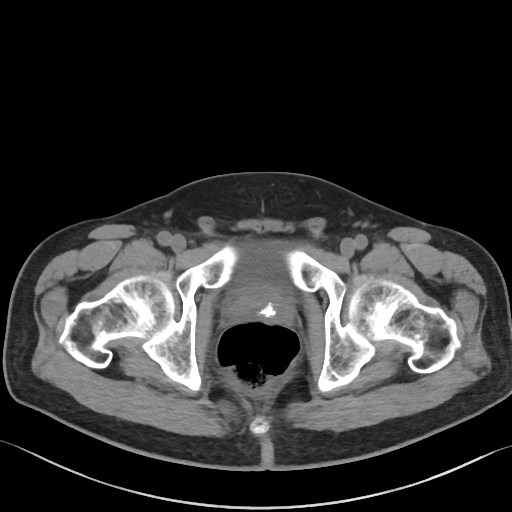
Abdominal CT. axial view. soft-tissue window
Each box given as x1,y1,x2,y2.
bladder: x1=235, y1=242, x2=286, y2=290
prostate/uterus: x1=227, y1=289, x2=293, y2=325